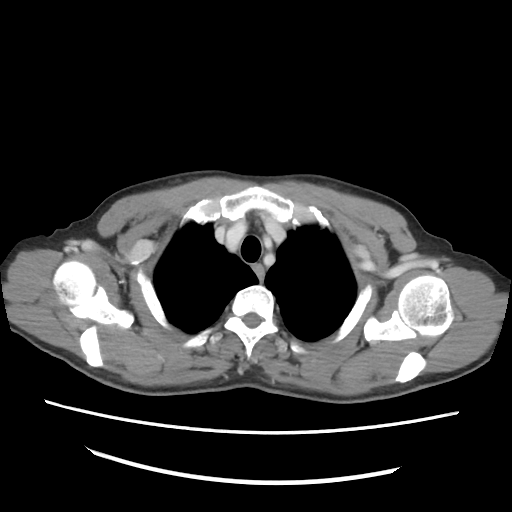

Chest-level CT slice, above the liver and spleen — axial view
On a slice this high in the chest, this dataset labels only the esophagus and the aorta, and each is boxed only where it is labeled; the heart, lungs and other chest structures are not labeled.
<organs><organ name="esophagus" x1="251" y1="264" x2="264" y2="278"/></organs>